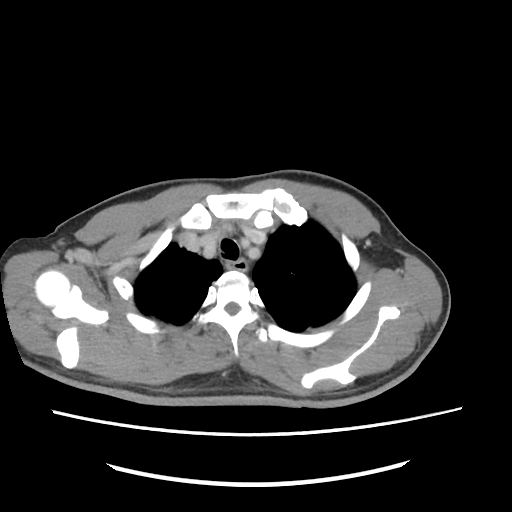

Chest-level CT slice, above the liver and spleen — axial plane, index 116 — soft-tissue window (W 400 / L 40) — 512x512 px
At this level of the chest this dataset labels only the esophagus and the aorta, and each is boxed only where it is labeled; the heart and lungs are never labeled.
Each box given as x1,y1,x2,y2.
esophagus: x1=228, y1=261, x2=247, y2=271